Chest-level slice from an abdominal CT that extends up into the chest. axial view. W/L 400/40 HU. 512x512 px. acquired on Aquilion ONE. scan has 15 labeled organs (that count is for the whole scan; organs this slice misses have no box)
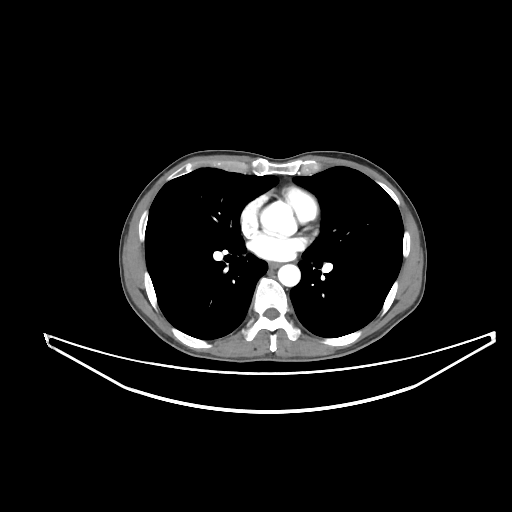 On a slice this high in the chest, this dataset labels only the esophagus and the aorta, and each is boxed only where it is labeled; the heart, lungs and other chest structures are not labeled.
Bounding boxes in pixels, one row per box: x1, y1 is the top-left corner and x2, y2 the bottom-right.
| organ | x1 | y1 | x2 | y2 |
|---|---|---|---|---|
| aorta | 278 | 264 | 300 | 286 |
| esophagus | 269 | 262 | 278 | 268 |